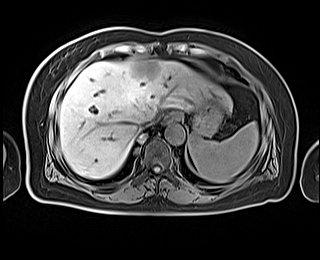
Abdominal MRI · axial view · percentile-normalized · Prisma scanner
Box edges are left/top/right/bottom in pixels.
Organ bounding boxes:
- stomach: left=191, top=96, right=223, bottom=136
- liver: left=59, top=58, right=232, bottom=178
- esophagus: left=161, top=112, right=181, bottom=124
- inferior vena cava: left=138, top=116, right=155, bottom=129
- aorta: left=164, top=124, right=184, bottom=144
- spleen: left=188, top=122, right=258, bottom=182